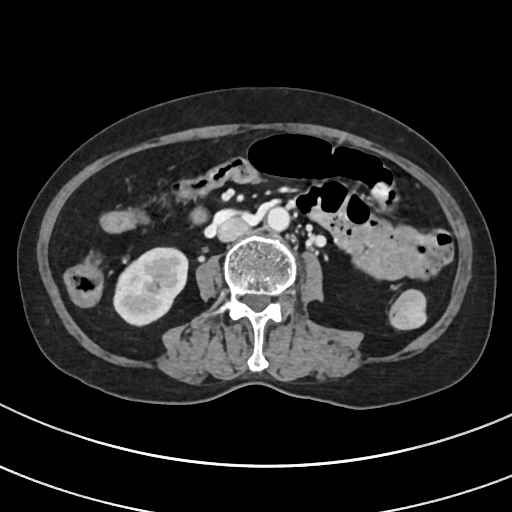
CT abdomen — axial plane, index 110
{"organs":{"right kidney":[113,247,187,325],"aorta":[266,207,290,231],"inferior vena cava":[217,218,248,241],"duodenum":[193,209,207,223]}}